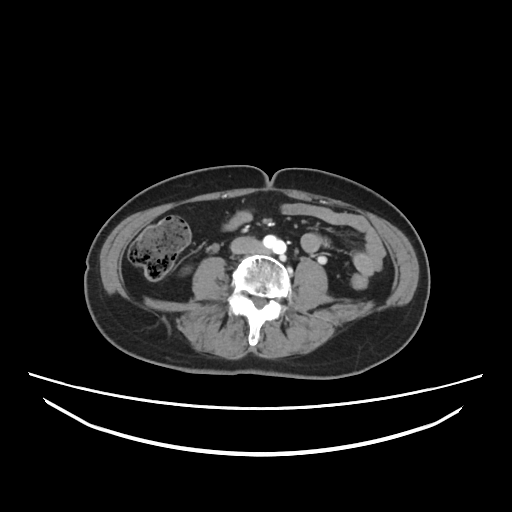
Computed tomography, abdomen; axial view; abdomen soft-tissue window; 512x512 px
Bounding boxes as [x1, y1, x2, y2] in pixel coordinates.
Organ bounding boxes:
- inferior vena cava: [230, 236, 259, 253]